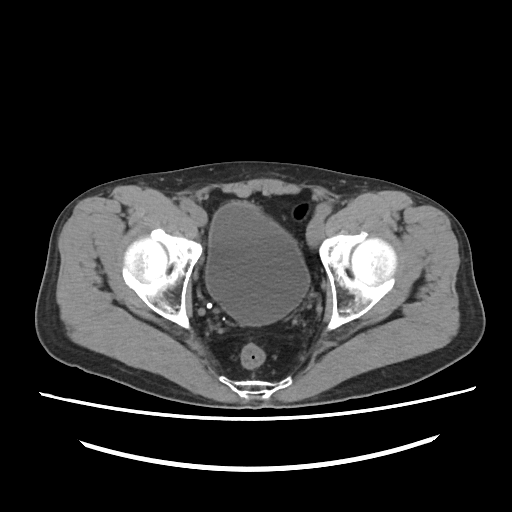 CT, abdomen/pelvis. axial view. 55-year-old male patient
Boxes are (x1, y1, x2, y2) in pixels. Labeled organs on this slice: bladder at (206, 202, 309, 323).